CT abdomen — axial view — soft-tissue window — acquired on Brilliance16 — 13 organs annotated in this scan (that count is for the whole scan; organs this slice misses have no box)
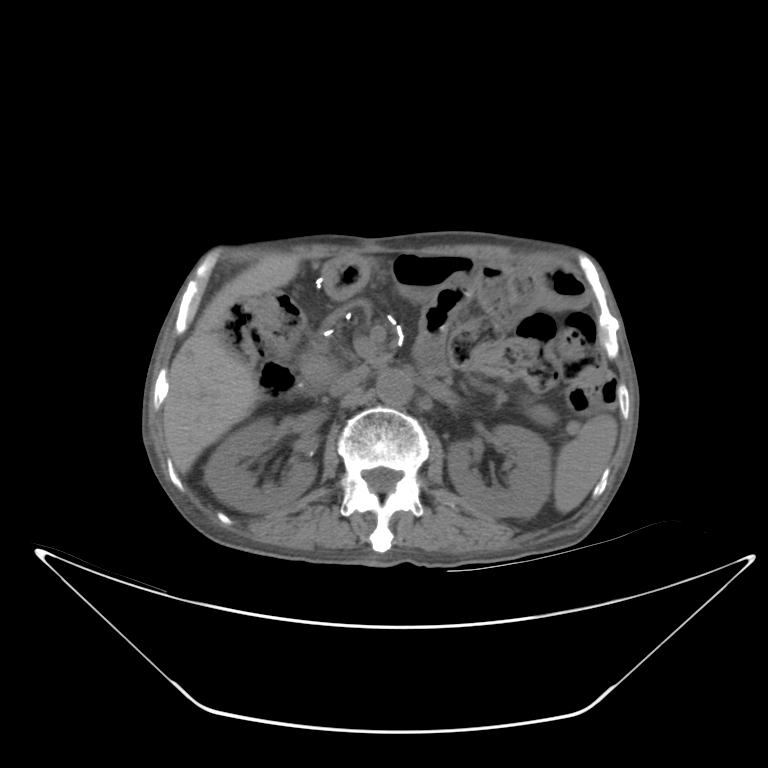 {"organs":{"spleen":[553,414,617,514],"right kidney":[203,421,317,512],"left kidney":[445,425,551,518],"liver":[162,254,297,473],"aorta":[376,369,412,404],"inferior vena cava":[328,366,369,395],"pancreas":[528,405,555,423]}}